Abdominal CT · axial view · W/L 400/40 HU · 512x512 px · acquired on SOMATOM Force · scan has 14 labeled organs (a whole-scan count: organs this slice does not pass through have no box)
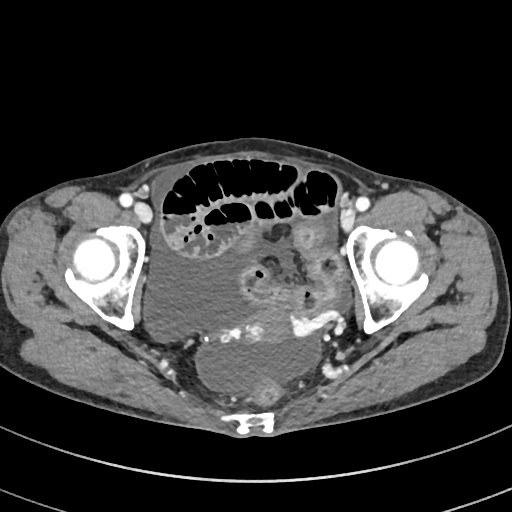 Coordinates as <box>x1,y1,x2,y2</box> in pixels.
Organ bounding boxes:
- prostate/uterus: <box>243,306,294,342</box>